Abdominal CT; axial plane, index 209
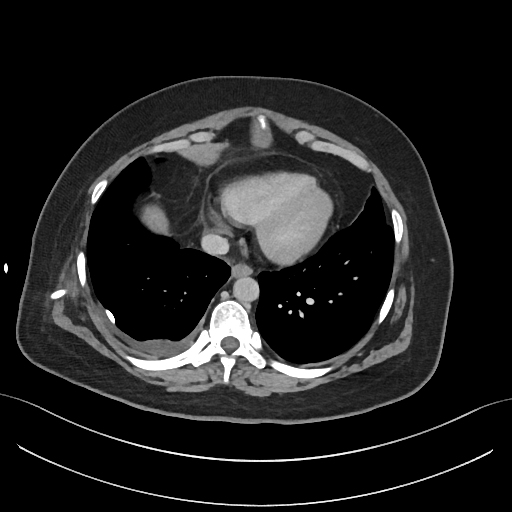

Each box given as x1,y1,x2,y2.
Organ bounding boxes:
- esophagus: x1=231, y1=262, x2=252, y2=276
- liver: x1=147, y1=208, x2=165, y2=226
- aorta: x1=232, y1=276, x2=258, y2=301
- inferior vena cava: x1=201, y1=234, x2=228, y2=255